CT of the abdomen extending into the chest, slice through the chest · axial view · soft-tissue window (W 400 / L 40) · 512x512 px
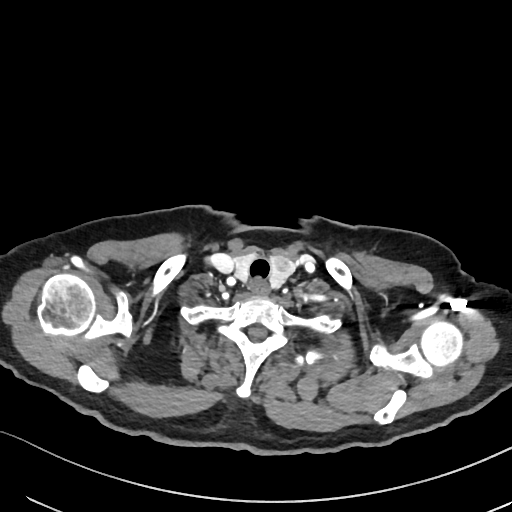
On a slice this high in the chest, this dataset labels only the esophagus and the aorta, and each is boxed only where it is labeled; the heart, lungs and other chest structures are not labeled.
<organs><organ name="esophagus" x1="250" y1="278" x2="269" y2="294"/></organs>